Abdominal MR. coronal view. percentile-normalized. scan has 13 labeled organs (a whole-scan count: organs this slice does not pass through have no box)
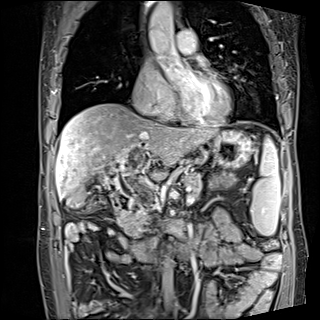 Boxes are (x1, y1, x2, y2) in pixels.
pancreas: (117, 170, 202, 236)
duodenum: (110, 190, 194, 261)
aorta: (148, 1, 175, 51)
aorta: (163, 258, 172, 298)
gall bladder: (67, 187, 84, 207)
stomach: (211, 130, 251, 168)
spleen: (251, 138, 280, 235)
liver: (56, 103, 216, 199)